Abdominal CT reaching into the chest; this slice is in the chest · axial view
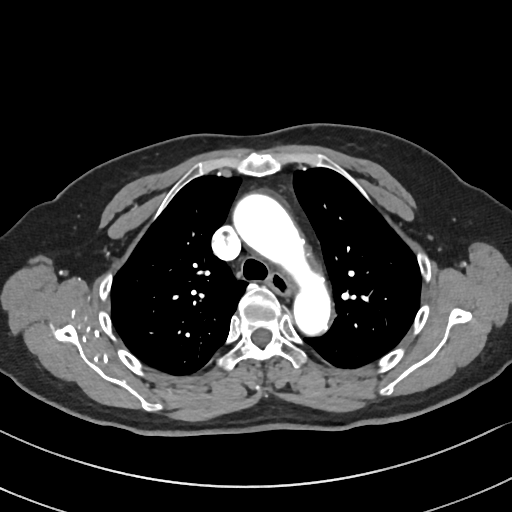 At this level of the chest no structure but the esophagus and the aorta has a label in this dataset, and those two are boxed only where they are labeled.
{"organs":{"aorta":[233,193,330,334],"esophagus":[264,271,292,296]}}